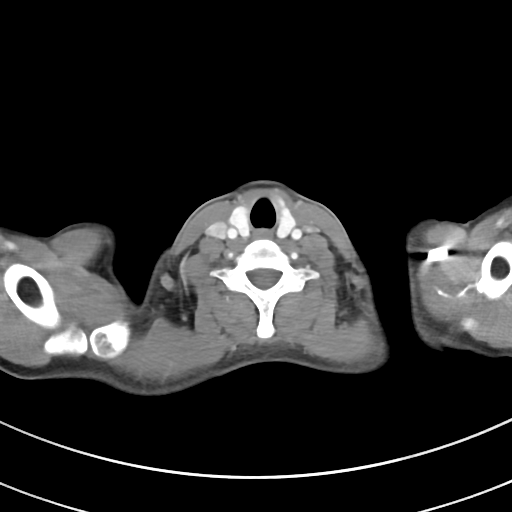
Chest-level CT slice, above the liver and spleen · axial view · W/L 400/40 HU
On a slice this high in the chest, this dataset labels only the esophagus and the aorta, and each is boxed only where it is labeled; the heart, lungs and other chest structures are not labeled.
Boxes: x1 y1 x2 y2 (pixel coords, space-separated).
esophagus: 254 229 271 237